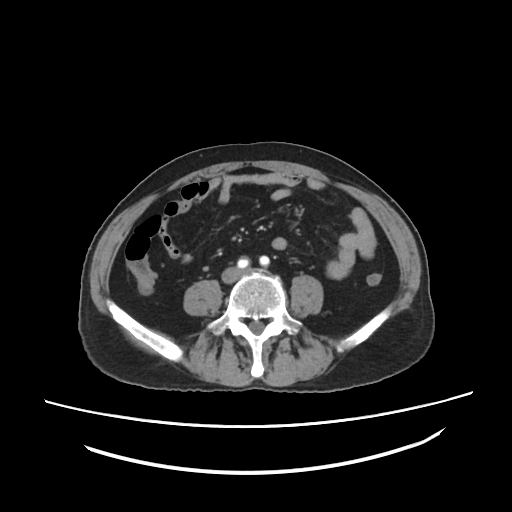

Abdominal CT; axial view; 68-year-old male patient; 15 organs annotated in this scan (that count is for the whole scan; organs this slice misses have no box)
{"organs":{"aorta":[239,258,248,262]}}